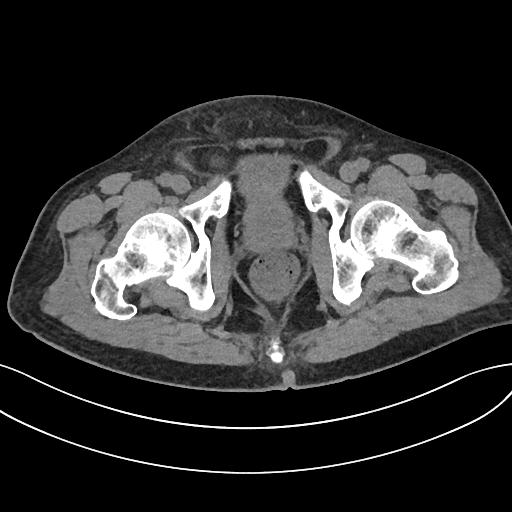 Computed tomography, abdomen; axial view; W/L 400/40 HU; 512x512 px
Coordinates as <box>x1,y1,x2,y2</box> in pixels.
bladder: <box>241,157,287,215</box>
prostate/uterus: <box>246,209,293,252</box>